Abdominal MRI. axial view. percentile-normalized
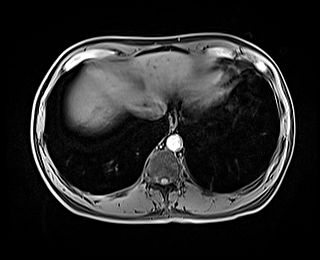 Boxes are (x1, y1, x2, y2) in pixels.
liver: (66, 51, 194, 130)
esophagus: (170, 114, 176, 128)
inferior vena cava: (141, 104, 164, 118)
aorta: (166, 134, 182, 150)